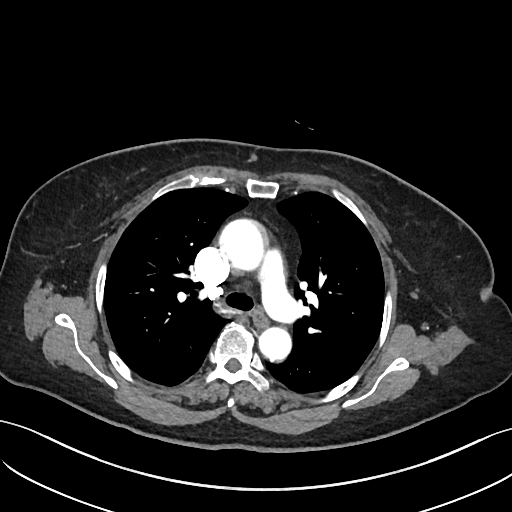 Chest-level slice from an abdominal CT that extends up into the chest. axial plane, index 231. W/L 400/40 HU. 512x512 px. SOMATOM Force scanner
On a slice this high in the chest, this dataset labels only the esophagus and the aorta, and each is boxed only where it is labeled; the heart, lungs and other chest structures are not labeled.
Coordinates as <box>x1,y1,x2,y2</box> in pixels.
Organ bounding boxes:
- esophagus: <box>252,308,268,327</box>
- aorta: <box>220,220,265,272</box>
- aorta: <box>259,325,291,360</box>